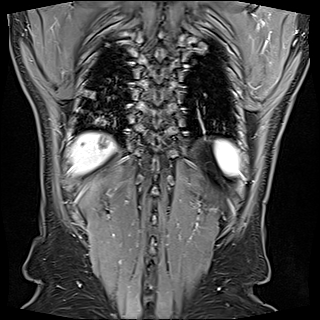

Abdominal MR · coronal acquisition · 320x320 px
{"organs":{"spleen":[215,140,238,174],"liver":[71,133,113,173]}}